Computed tomography, abdomen · axial view · W/L 400/40 HU · SOMATOM Force scanner
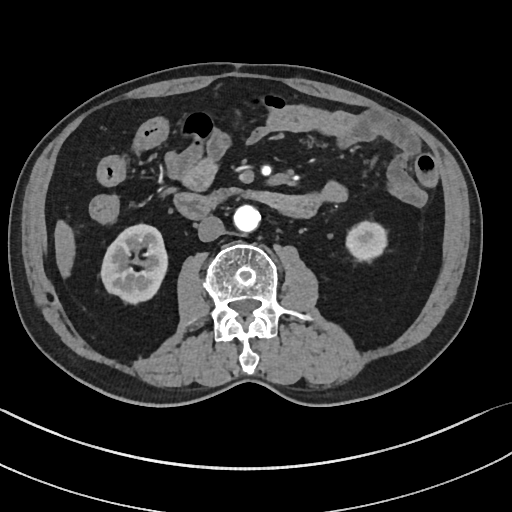 One row per box, in pixels: columns x1 and y1 give the top-left corner, x2 and y2 the bottom-right.
| organ | x1 | y1 | x2 | y2 |
|---|---|---|---|---|
| right kidney | 101 | 224 | 165 | 301 |
| left kidney | 346 | 222 | 385 | 259 |
| liver | 55 | 222 | 72 | 274 |
| aorta | 233 | 204 | 260 | 231 |
| inferior vena cava | 198 | 215 | 224 | 241 |
| duodenum | 174 | 187 | 320 | 219 |